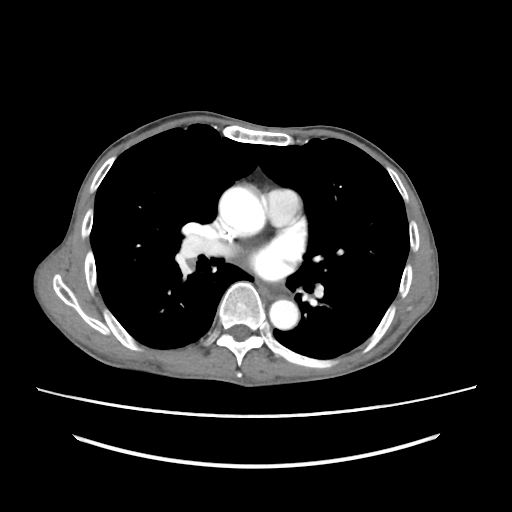
Chest-level slice from an abdominal CT that extends up into the chest — axial plane, index 96 — 512x512 px — 62-year-old male patient
At this level of the chest this dataset labels only the esophagus and the aorta, and each is boxed only where it is labeled; the heart and lungs are never labeled.
{"organs":{"esophagus":[258,283,285,298],"aorta":[[218,186,265,236],[269,299,299,329]]}}